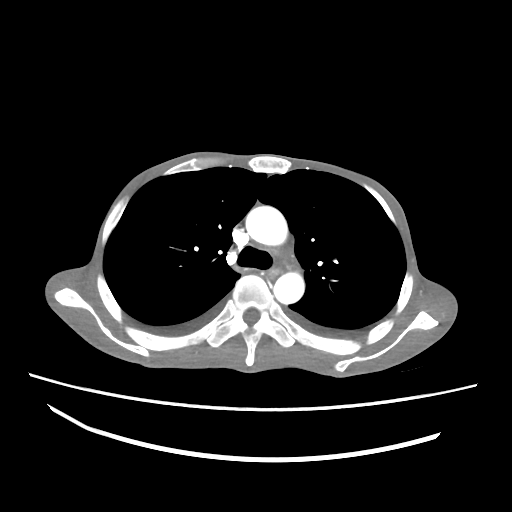
CT of the abdomen extending into the chest, slice through the chest; axial view; 15 organs annotated in this scan (that count is for the whole scan; organs this slice misses have no box)
On a slice this high in the chest, this dataset labels only the esophagus and the aorta, and each is boxed only where it is labeled; the heart, lungs and other chest structures are not labeled.
Boxes: x1:y1:x2:y2 in pixels.
Organ bounding boxes:
- esophagus: 267:267:276:277
- aorta: 246:206:287:245
- aorta: 273:272:304:304